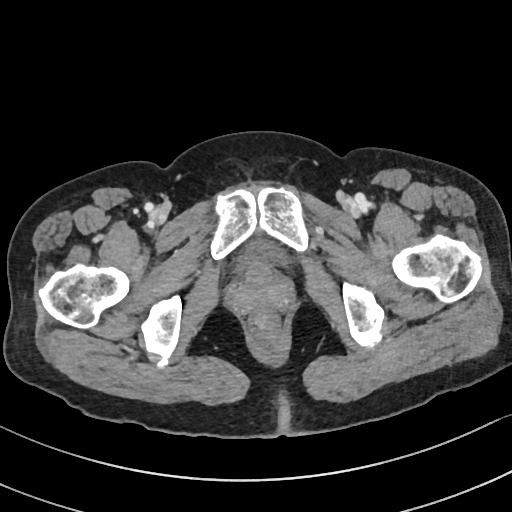 CT abdomen · axial view · abdomen soft-tissue window · 512x512 px
<organs><organ name="bladder" x1="234" y1="241" x2="286" y2="271"/></organs>